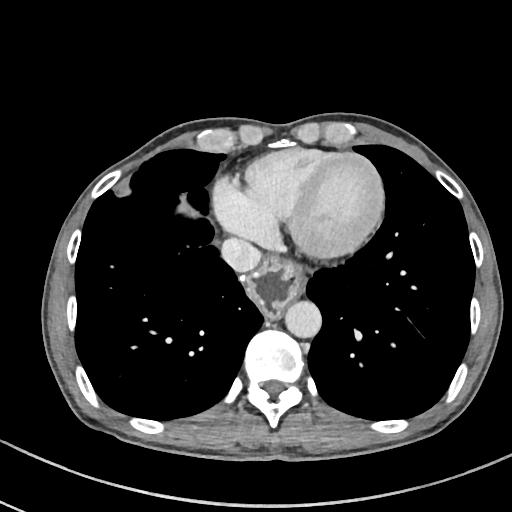 Abdominal CT; this slice is in the lower chest, just above the liver — axial view
Of the structures in the chest, this dataset labels only the esophagus, the aorta and the inferior vena cava; the heart and lungs have no label.
One row per box, in pixels: columns x1 and y1 give the top-left corner, x2 and y2 the bottom-right.
| organ | x1 | y1 | x2 | y2 |
|---|---|---|---|---|
| esophagus | 245 | 257 | 303 | 317 |
| inferior vena cava | 221 | 238 | 261 | 271 |
| aorta | 285 | 301 | 321 | 338 |